CT abdomen · axial view · abdomen soft-tissue window · 768x768 px · 38-year-old female patient · 15 organs annotated in this scan (counted over the whole 3D scan, not this slice; an organ is boxed only where this slice passes through it)
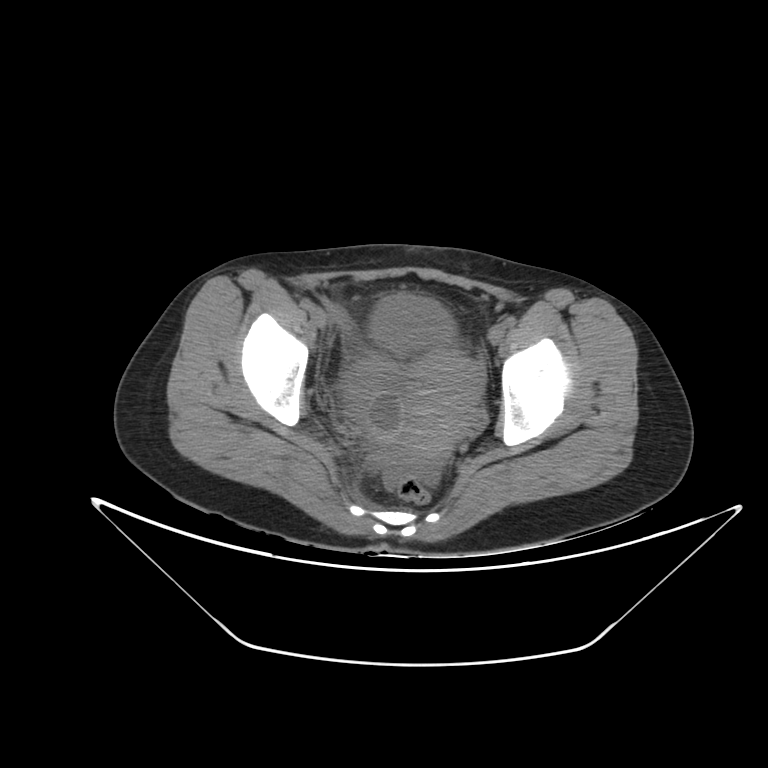
Each box given as x1,y1,x2,y2.
bladder: x1=370, y1=294, x2=456, y2=354
prostate/uterus: x1=400, y1=350, x2=481, y2=458